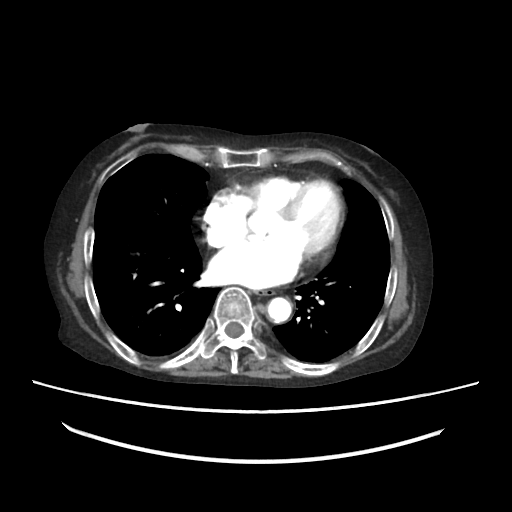
Abdominal CT; this slice is in the lower chest, just above the liver. axial view. soft-tissue window (W 400 / L 40). 61-year-old female patient. scan has 15 labeled organs (a whole-scan count: organs this slice does not pass through have no box)
The heart and lungs are never labeled in this dataset, so they have no box on this slice.
Bounding boxes as [x1, y1, x2, y2] in pixel coordinates.
esophagus: [255, 288, 276, 295]
aorta: [268, 298, 290, 322]